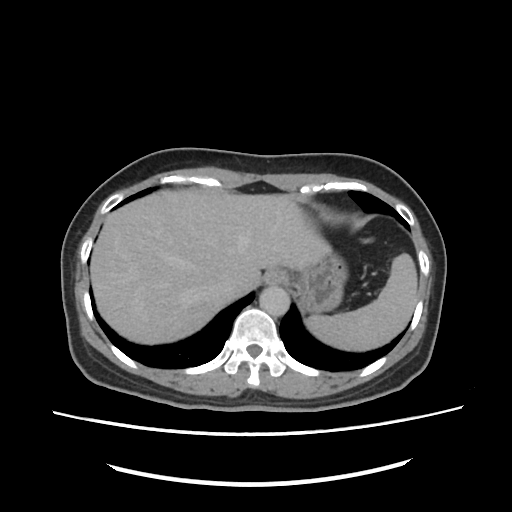 CT, abdomen/pelvis — axial view — Aquilion ONE scanner
Bounding boxes in pixels, one row per box: x1, y1 is the top-left corner and x2, y2 the bottom-right.
| organ | x1 | y1 | x2 | y2 |
|---|---|---|---|---|
| spleen | 306 | 252 | 417 | 352 |
| esophagus | 262 | 269 | 288 | 285 |
| liver | 90 | 188 | 330 | 345 |
| stomach | 293 | 255 | 346 | 310 |
| aorta | 258 | 286 | 290 | 316 |
| inferior vena cava | 207 | 275 | 238 | 299 |